CT, abdomen/pelvis · axial view · 15 organs annotated in this scan (that count is for the whole scan; organs this slice misses have no box)
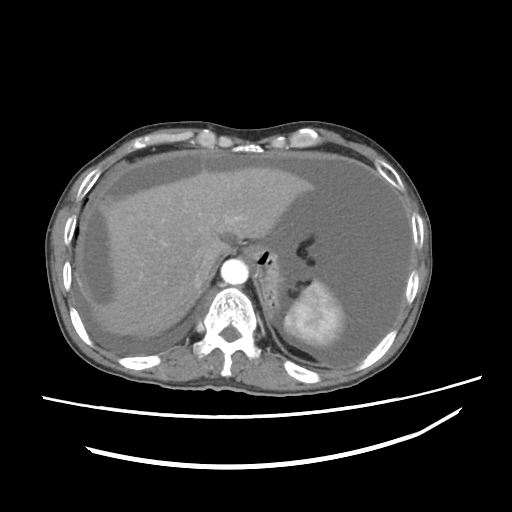

Coordinates as <box>x1,y1,x2,y2</box> in pixels.
stomach: <box>249,245,283,329</box>
liver: <box>91,167,401,341</box>
aorta: <box>220,259,248,285</box>
esophagus: <box>241,248,250,258</box>
spleen: <box>283,281,345,348</box>
inferior vena cava: <box>191,267,204,287</box>